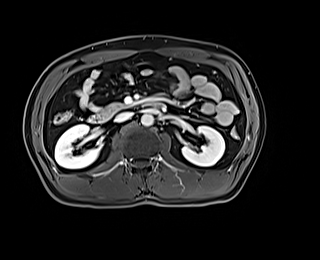 Abdominal MR. axial view. percentile-normalized. 13 organs annotated in this scan (that count is for the whole scan; organs this slice misses have no box)
Coordinates as <box>x1,y1,x2,y2</box> in pixels. The annotated organs in this slice are: right kidney at <box>55,124,99,168</box>, left kidney at <box>182,126,224,166</box>, aorta at <box>141,114,153,126</box>, inferior vena cava at <box>115,112,132,122</box>, pancreas at <box>103,103,127,113</box>, duodenum at <box>89,100,160,123</box>.